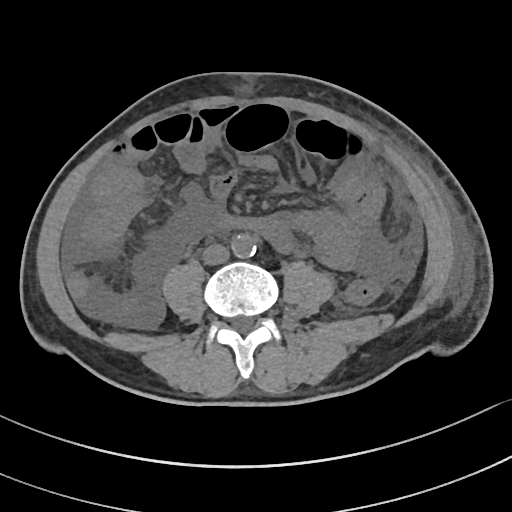
CT abdomen; axial view; 512x512 px; 15 organs annotated in this scan (a whole-scan count: organs this slice does not pass through have no box)
Box edges are left/top/right/bottom in pixels.
Organ bounding boxes:
- aorta: left=232, top=234, right=256, bottom=258
- inferior vena cava: left=203, top=243, right=229, bottom=264